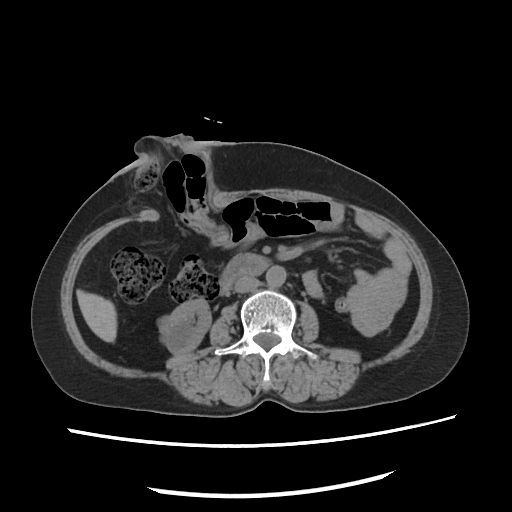
CT, abdomen/pelvis — axial view — W/L 400/40 HU — 512x512 px — 56-year-old female patient
Boxes: x1:y1:x2:y2 in pixels.
right kidney: 156:299:210:355
liver: 76:290:116:343
aorta: 266:265:284:285
inferior vena cava: 235:277:258:292
duodenum: 219:253:268:295